CT, abdomen/pelvis — axial plane, index 77 — 768x768 px
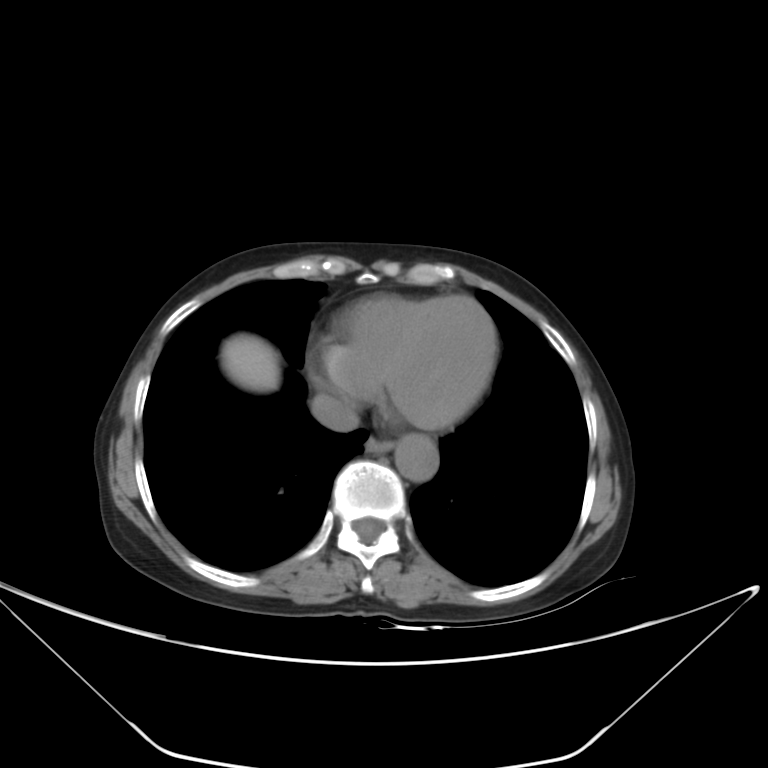

One row per box, in pixels: columns x1 and y1 give the top-left corner, x2 and y2 the bottom-right.
| organ | x1 | y1 | x2 | y2 |
|---|---|---|---|---|
| esophagus | 364 | 436 | 391 | 452 |
| liver | 220 | 334 | 280 | 392 |
| aorta | 395 | 434 | 438 | 481 |
| inferior vena cava | 310 | 393 | 359 | 432 |